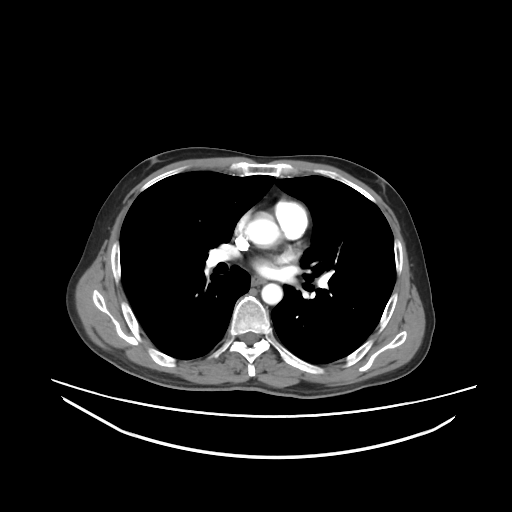
Chest-level CT slice, above the liver and spleen; axial view; soft-tissue window, W/L 400/40; 52-year-old male patient; 15 organs annotated in this scan (that count is for the whole scan; organs this slice misses have no box)
At this level of the chest this dataset labels only the esophagus and the aorta, and each is boxed only where it is labeled; the heart and lungs are never labeled.
{"organs":{"esophagus":[252,277,264,285],"aorta":[[245,212,280,247],[261,283,282,304]]}}